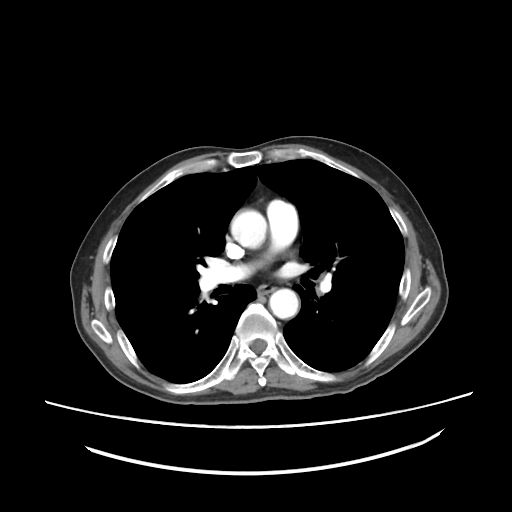

Chest-level CT slice, above the liver and spleen — axial view — soft-tissue window (W 400 / L 40) — 68-year-old male patient
At this level of the chest this dataset labels only the esophagus and the aorta, and each is boxed only where it is labeled; the heart and lungs are never labeled.
Boxes are (x1, y1, x2, y2) in pixels.
Organ bounding boxes:
- esophagus: (258, 285, 272, 293)
- aorta: (231, 210, 266, 248)
- aorta: (269, 288, 298, 318)